Computed tomography, abdomen; axial plane, index 69; 768x768 px; 63-year-old male patient; acquired on Brilliance16; scan has 14 labeled organs (a whole-scan count: organs this slice does not pass through have no box)
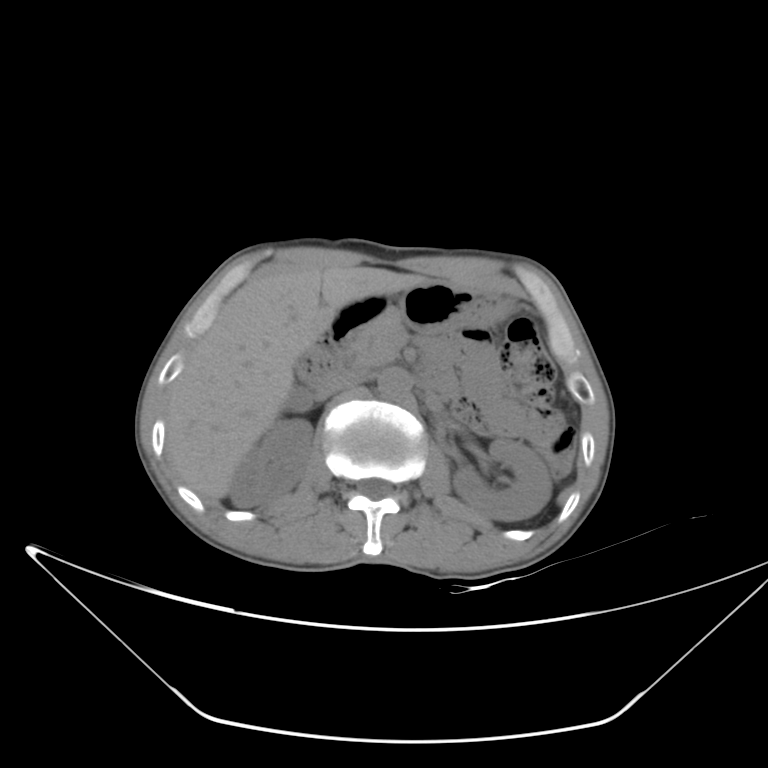
Boxes: x1 y1 x2 y2 (pixel coords, space-separated). Labeled organs on this slice: right kidney at 229 418 312 506, left kidney at 452 438 551 521, gall bladder at 286 388 310 410, liver at 166 267 431 500, stomach at 392 281 509 333, aorta at 378 367 410 400, inferior vena cava at 320 372 361 397, pancreas at 346 316 402 371, duodenum at 295 294 397 393.